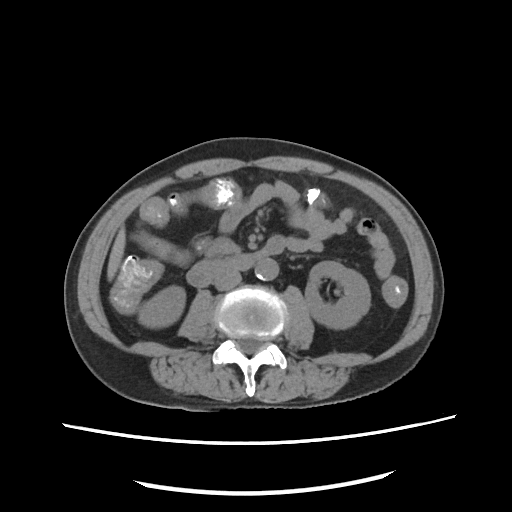 CT, abdomen/pelvis · axial plane, index 47 · 512x512 px · 68-year-old male patient · acquired on Aquilion ONE · scan has 15 labeled organs (a whole-scan count: organs this slice does not pass through have no box)
Boxes: x1 y1 x2 y2 (pixel coords, space-separated). The annotated organs in this slice are: duodenum at 186 236 284 286, liver at 107 227 125 280, aorta at 255 258 278 280, left kidney at 305 261 370 328, right kidney at 138 286 185 327, inferior vena cava at 213 268 241 290, pancreas at 208 238 239 256.